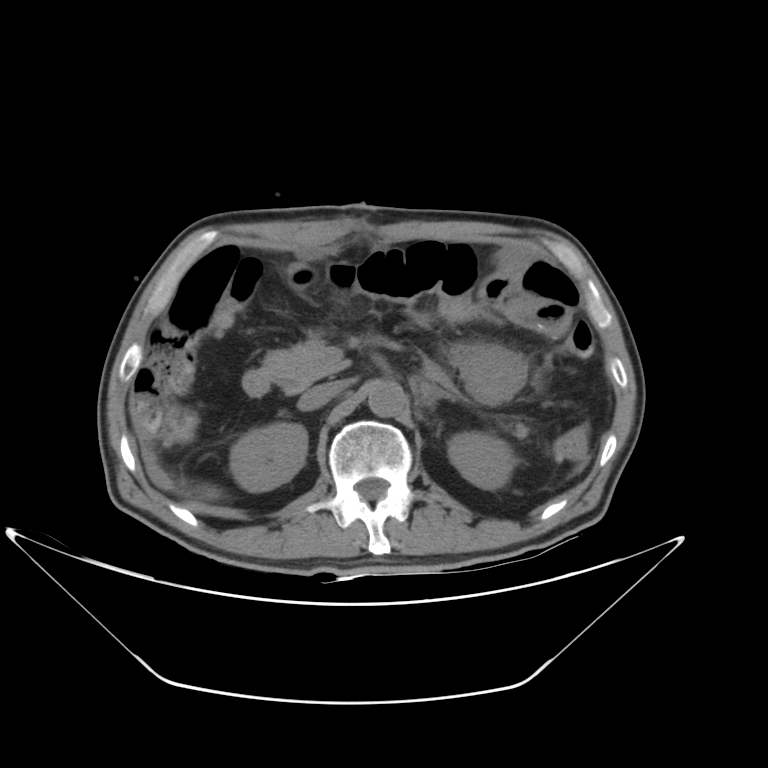
CT, abdomen/pelvis — axial plane, index 69 — 768x768 px — 65-year-old male patient — 15 organs annotated in this scan (counted over the whole 3D scan, not this slice; an organ is boxed only where this slice passes through it)
Bounding boxes as [x1, y1, x2, y2] in pixel coordinates.
right kidney: [229, 422, 307, 492]
left kidney: [448, 431, 517, 490]
liver: [130, 404, 219, 499]
stomach: [451, 345, 524, 404]
aorta: [367, 380, 406, 417]
inferior vena cava: [299, 381, 344, 410]
pancreas: [264, 332, 528, 438]
left adrenal gland: [420, 384, 451, 431]
duodenum: [242, 367, 271, 396]